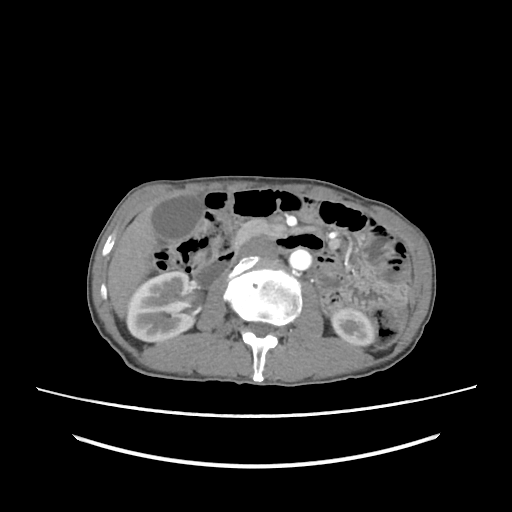

Abdominal CT · Axial slice 55/126 · soft-tissue window · acquired on Aquilion ONE
<organs><organ name="inferior vena cava" x1="239" y1="237" x2="277" y2="259"/><organ name="left kidney" x1="332" y1="308" x2="375" y2="345"/><organ name="gall bladder" x1="153" y1="193" x2="202" y2="241"/><organ name="liver" x1="108" y1="204" x2="159" y2="318"/><organ name="aorta" x1="289" y1="249" x2="311" y2="270"/><organ name="right kidney" x1="126" y1="271" x2="194" y2="341"/><organ name="duodenum" x1="192" y1="243" x2="237" y2="290"/><organ name="pancreas" x1="234" y1="219" x2="277" y2="247"/></organs>